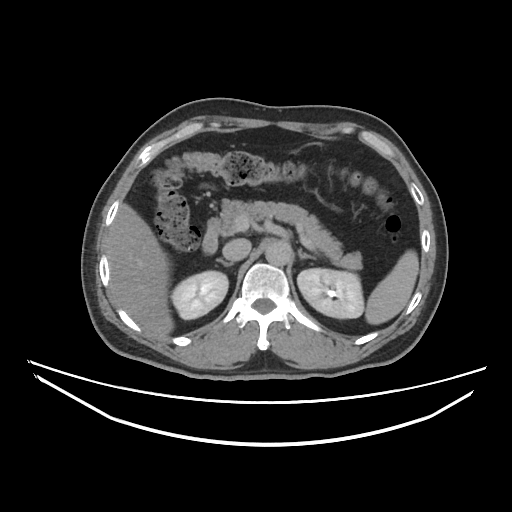

CT, abdomen/pelvis · axial view · acquired on Aquilion ONE · 15 organs annotated in this scan (that count is for the whole scan; organs this slice misses have no box)
Organ boxes in pixel coordinates; each row gives the top-left (x1, y1) and bottom-right (x2, y2) corners.
| organ | x1 | y1 | x2 | y2 |
|---|---|---|---|---|
| spleen | 364 | 252 | 418 | 324 |
| right kidney | 171 | 271 | 228 | 319 |
| left kidney | 297 | 268 | 363 | 319 |
| liver | 108 | 203 | 172 | 337 |
| aorta | 265 | 241 | 292 | 265 |
| inferior vena cava | 223 | 239 | 250 | 260 |
| pancreas | 218 | 200 | 361 | 272 |
| right adrenal gland | 218 | 258 | 233 | 265 |
| left adrenal gland | 297 | 249 | 314 | 259 |
| duodenum | 202 | 218 | 220 | 253 |